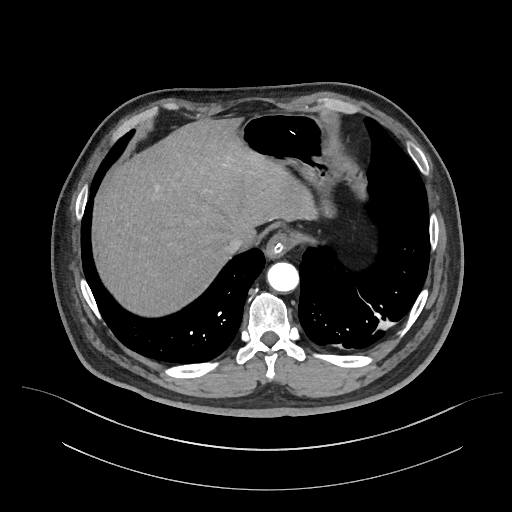
CT abdomen; axial plane, index 215; abdomen soft-tissue window; 512x512 px
Organ boxes in pixel coordinates; each row gives the top-left (x1, y1) and bottom-right (x2, y2) corners.
| organ | x1 | y1 | x2 | y2 |
|---|---|---|---|---|
| esophagus | 264 | 236 | 288 | 260 |
| liver | 92 | 119 | 333 | 315 |
| stomach | 241 | 114 | 337 | 185 |
| aorta | 268 | 263 | 299 | 292 |
| inferior vena cava | 223 | 233 | 247 | 252 |